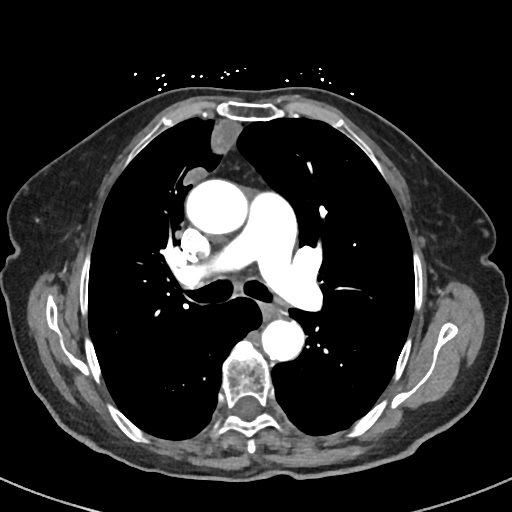 CT of the abdomen extending into the chest, slice through the chest. axial view. soft-tissue window (W 400 / L 40). 512x512 px
At this level of the chest no structure but the esophagus and the aorta has a label in this dataset, and those two are boxed only where they are labeled. Coordinates as <box>x1,y1,x2,y2</box> in pixels. The annotated organs in this slice are: esophagus at <box>261,301,276,316</box>, aorta at <box>187,179,249,235</box>, aorta at <box>261,319,304,360</box>.